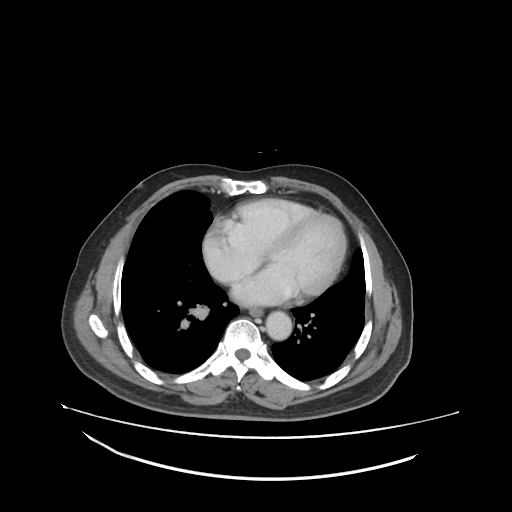
Abdominal CT; this slice is in the lower chest, just above the liver · Axial slice 86/116 · 512x512 px · 15 organs annotated in this scan (a whole-scan count: organs this slice does not pass through have no box)
Of the structures in the chest, this dataset labels only the esophagus, the aorta and the inferior vena cava; the heart and lungs have no label.
Box edges are left/top/right/bottom in pixels.
Organ bounding boxes:
- aorta: left=265, top=311, right=292, bottom=340
- esophagus: left=250, top=307, right=264, bottom=317